Abdominal CT reaching into the chest; this slice is in the chest. axial view. 512x512 px. 15 organs annotated in this scan (a whole-scan count: organs this slice does not pass through have no box)
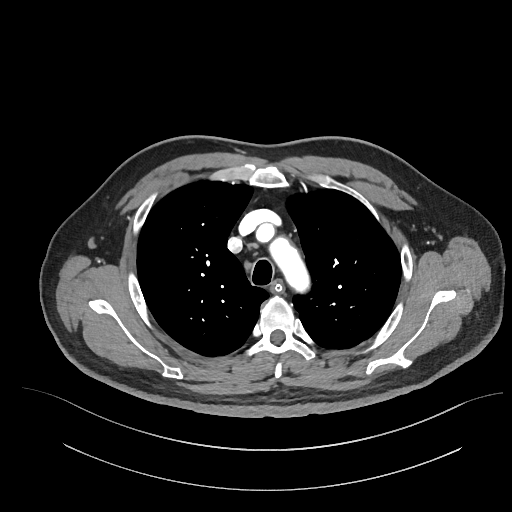 On a slice this high in the chest, this dataset labels only the esophagus and the aorta, and each is boxed only where it is labeled; the heart, lungs and other chest structures are not labeled.
Boxes are (x1, y1, x2, y2) in pixels.
esophagus: (271, 283, 281, 291)
aorta: (267, 234, 312, 296)